Computed tomography, abdomen · axial view · W/L 400/40 HU
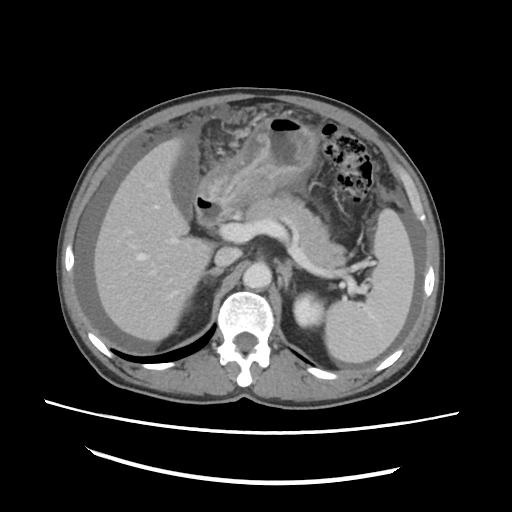
Organ boxes in pixel coordinates; each row gives the top-left (x1, y1) and bottom-right (x2, y2) corners.
| organ | x1 | y1 | x2 | y2 |
|---|---|---|---|---|
| spleen | 324 | 208 | 415 | 363 |
| left kidney | 293 | 293 | 323 | 327 |
| inferior vena cava | 214 | 247 | 241 | 266 |
| liver | 94 | 137 | 213 | 341 |
| gall bladder | 170 | 134 | 197 | 219 |
| duodenum | 195 | 197 | 227 | 226 |
| right adrenal gland | 201 | 267 | 223 | 282 |
| left adrenal gland | 277 | 259 | 293 | 289 |
| pancreas | 244 | 194 | 345 | 270 |
| aorta | 243 | 262 | 271 | 289 |
| stomach | 197 | 114 | 318 | 211 |